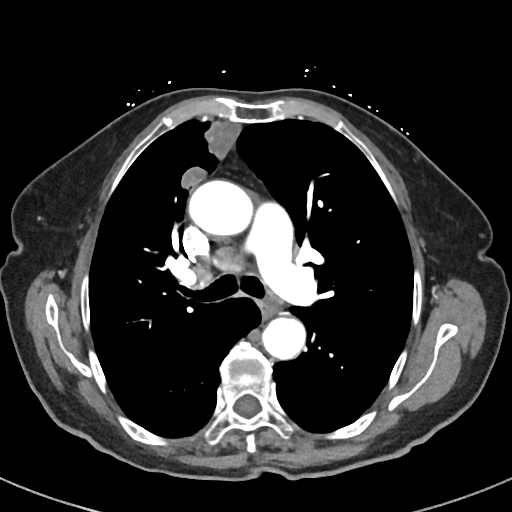

Abdominal CT reaching into the chest; this slice is in the chest. axial view. soft-tissue window. 512x512 px
At this level of the chest this dataset labels only the esophagus and the aorta, and each is boxed only where it is labeled; the heart and lungs are never labeled.
Organ boxes in pixel coordinates; each row gives the top-left (x1, y1) and bottom-right (x2, y2) corners.
| organ | x1 | y1 | x2 | y2 |
|---|---|---|---|---|
| aorta | 187 | 179 | 249 | 235 |
| aorta | 261 | 319 | 304 | 360 |
| esophagus | 261 | 301 | 276 | 316 |